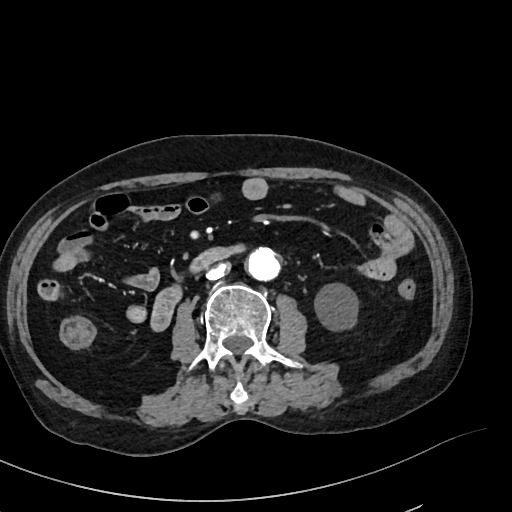
CT abdomen — axial view — acquired on SOMATOM Force
Boxes: x1 y1 x2 y2 (pixel coords, space-separated). The annotated organs in this slice are: left kidney at 314 283 358 330, aorta at 247 249 280 282, inferior vena cava at 206 263 231 280, duodenum at 150 246 246 331.